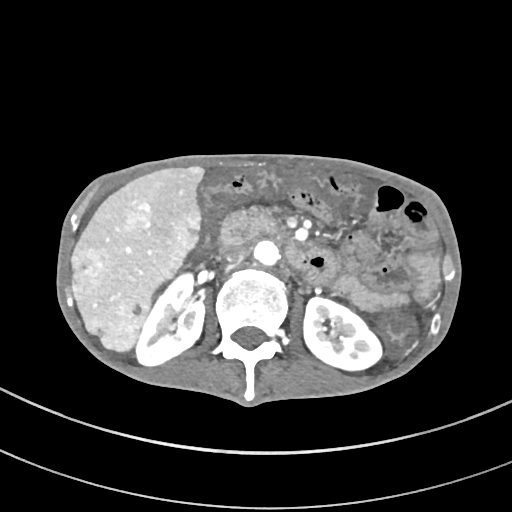 CT, abdomen/pelvis · axial view · W/L 400/40 HU · acquired on SOMATOM Force
Boxes: x1:y1:x2:y2 in pixels.
right kidney: 135:270:205:365
left kidney: 304:297:381:372
liver: 71:167:203:352
aorta: 254:239:279:267
inferior vena cava: 225:247:249:263
duodenum: 221:210:340:286